Computed tomography, abdomen; axial plane, index 51; soft-tissue window (W 400 / L 40); SOMATOM Force scanner; 15 organs annotated in this scan (that count is for the whole scan; organs this slice misses have no box)
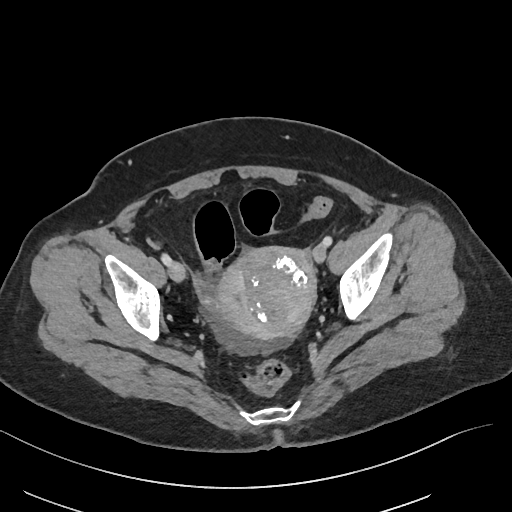

Boxes: x1:y1:x2:y2 in pixels. Labeled organs on this slice: prostate/uterus at 217:247:316:339.